CT abdomen — axial view — soft-tissue window (W 400 / L 40) — 512x512 px
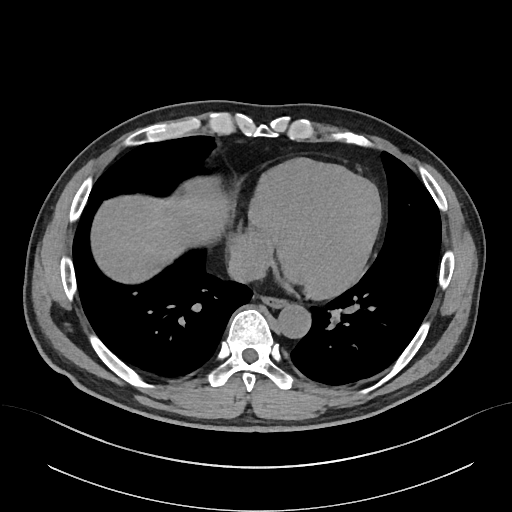 Boxes are (x1, y1, x2, y2) in pixels.
esophagus: (262, 297, 287, 307)
liver: (91, 177, 229, 283)
aorta: (277, 304, 310, 338)
inferior vena cava: (228, 247, 267, 282)